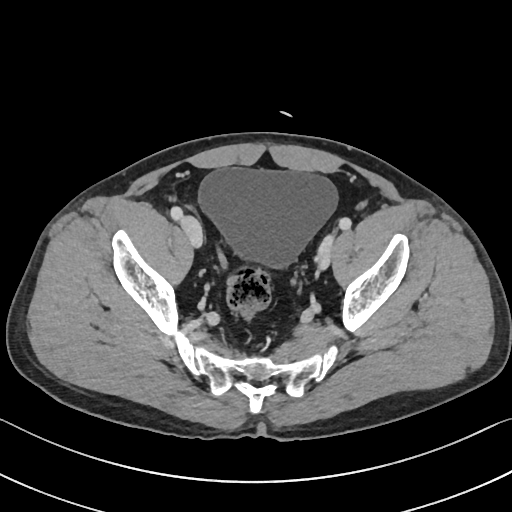
Abdominal CT · axial view · soft-tissue window (W 400 / L 40)
Boxes: x1 y1 x2 y2 (pixel coords, space-separated). The annotated organs in this slice are: bladder at 198 168 338 269.